Abdominal CT — axial plane, index 49
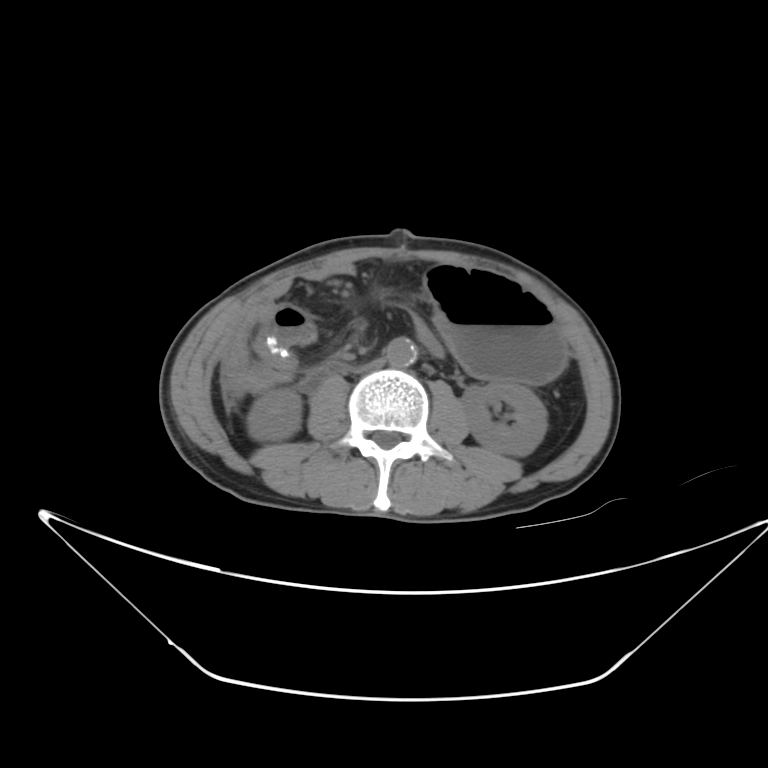

Organ boxes in pixel coordinates; each row gives the top-left (x1, y1) and bottom-right (x2, y2) corners.
| organ | x1 | y1 | x2 | y2 |
|---|---|---|---|---|
| aorta | 386 | 335 | 417 | 365 |
| stomach | 424 | 264 | 563 | 384 |
| left kidney | 461 | 381 | 546 | 456 |
| duodenum | 301 | 359 | 349 | 394 |
| right kidney | 249 | 389 | 301 | 442 |
| inferior vena cava | 352 | 357 | 386 | 374 |